CT, abdomen/pelvis · axial view · W/L 400/40 HU · 39-year-old male patient · acquired on Aquilion ONE
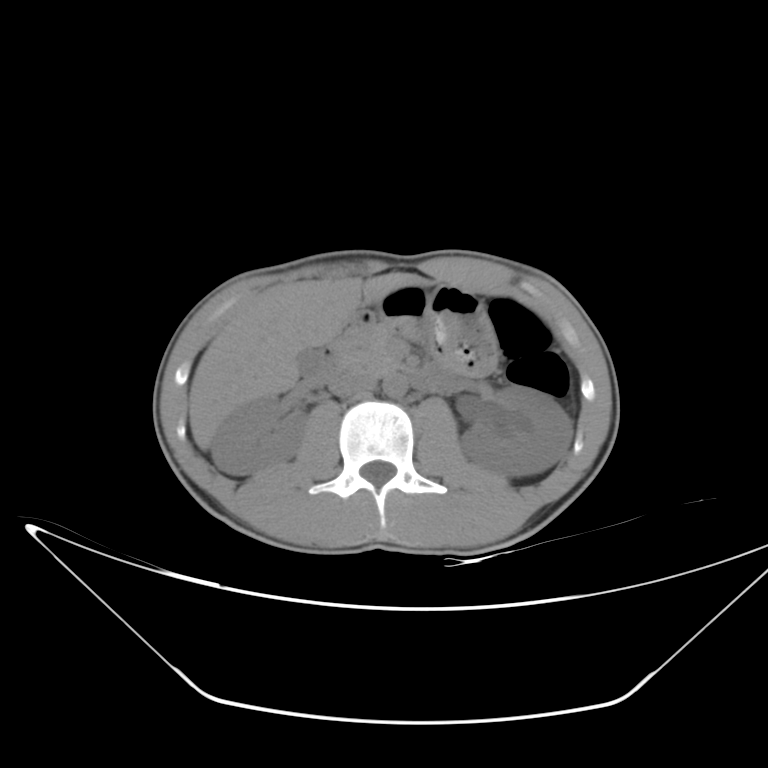
<organs><organ name="right kidney" x1="211" y1="396" x2="305" y2="474"/><organ name="left kidney" x1="460" y1="385" x2="572" y2="475"/><organ name="gall bladder" x1="298" y1="347" x2="321" y2="373"/><organ name="liver" x1="188" y1="273" x2="430" y2="449"/><organ name="stomach" x1="368" y1="284" x2="499" y2="376"/><organ name="aorta" x1="383" y1="374" x2="408" y2="398"/><organ name="inferior vena cava" x1="330" y1="372" x2="376" y2="396"/><organ name="pancreas" x1="340" y1="325" x2="399" y2="376"/><organ name="duodenum" x1="303" y1="312" x2="452" y2="392"/></organs>